CT abdomen; Axial slice 27/100; W/L 400/40 HU; 768x768 px; acquired on Brilliance16
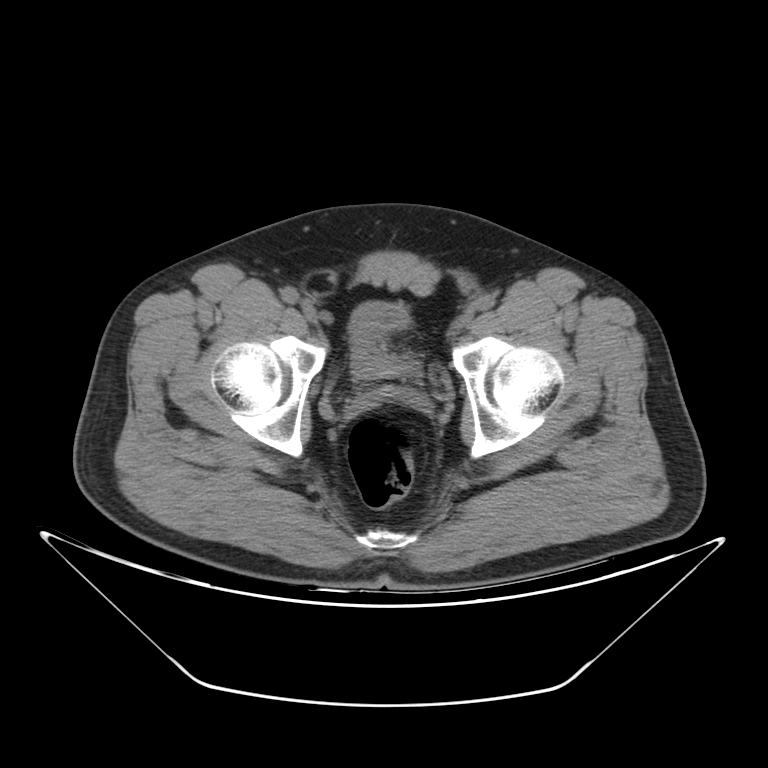 Box edges are left/top/right/bottom in pixels. 1 labeled organ on this slice — bladder at left=349, top=302, right=417, bottom=378.